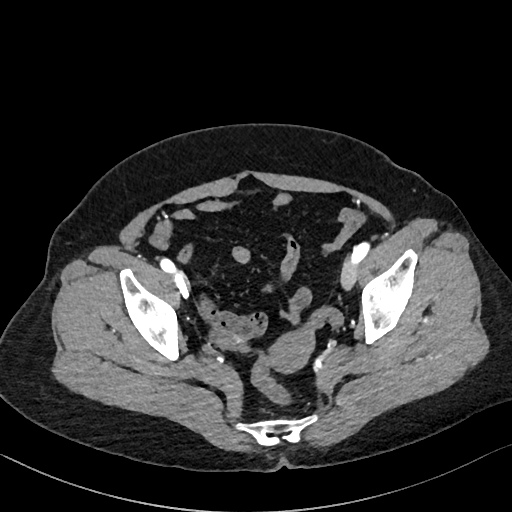
CT abdomen · axial view · acquired on SOMATOM Force · scan has 15 labeled organs (that count is for the whole scan; organs this slice misses have no box)
Organ boxes in pixel coordinates; each row gives the top-left (x1, y1) and bottom-right (x2, y2) corners.
| organ | x1 | y1 | x2 | y2 |
|---|---|---|---|---|
| prostate/uterus | 270 | 331 | 313 | 371 |